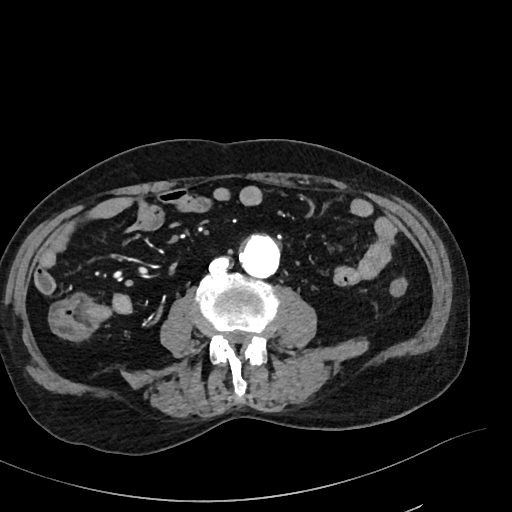

Abdominal CT — axial view
<organs><organ name="aorta" x1="239" y1="235" x2="280" y2="278"/><organ name="inferior vena cava" x1="208" y1="257" x2="231" y2="272"/></organs>